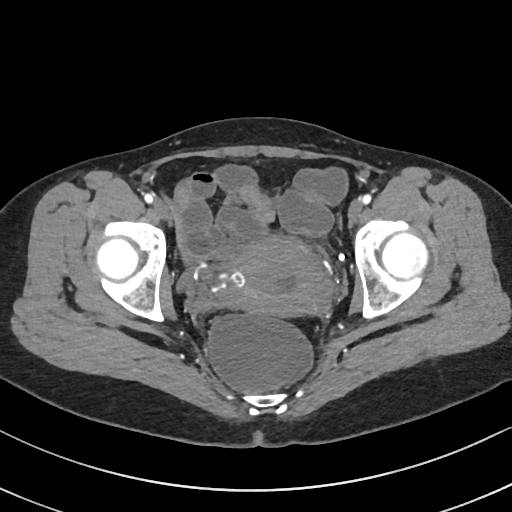 Computed tomography, abdomen; axial plane, index 57
Bounding boxes in pixels, one row per box: x1, y1 is the top-left corner and x2, y2 the bottom-right.
| organ | x1 | y1 | x2 | y2 |
|---|---|---|---|---|
| prostate/uterus | 228 | 234 | 334 | 315 |